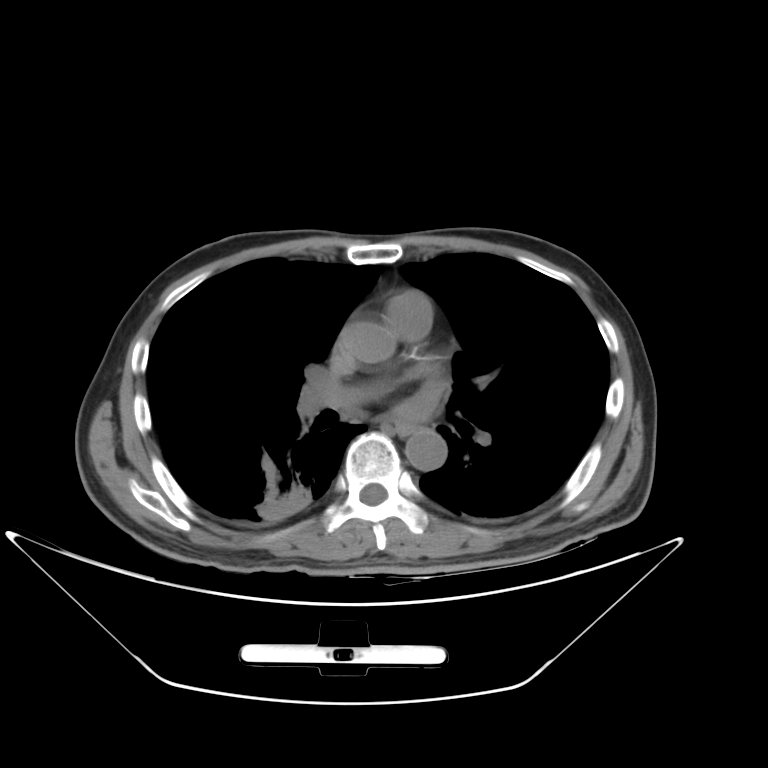 Lower-chest slice from an abdominal CT, just above the liver and spleen · axial plane, index 102 · 768x768 px
Of the structures in the chest, this dataset labels only the esophagus, the aorta and the inferior vena cava; the heart and lungs have no label.
Box edges are left/top/right/bottom in pixels.
Organ bounding boxes:
- esophagus: left=393, top=421, right=416, bottom=435
- aorta: left=406, top=427, right=447, bottom=471